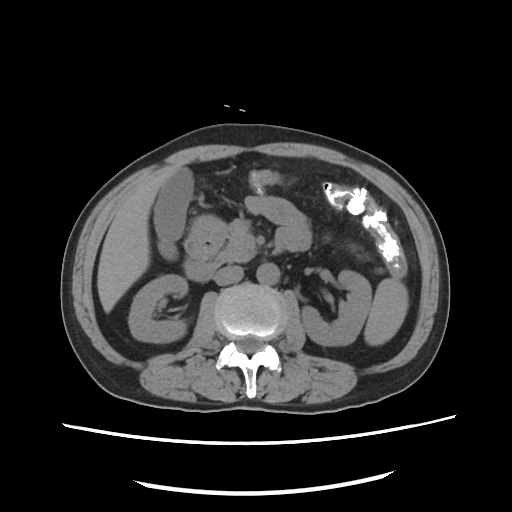 CT abdomen · axial plane, index 53 · 512x512 px · Aquilion ONE scanner · scan has 15 labeled organs (counted over the whole 3D scan, not this slice; an organ is boxed only where this slice passes through it)
<organs><organ name="spleen" x1="364" y1="278" x2="408" y2="345"/><organ name="right kidney" x1="128" y1="274" x2="187" y2="342"/><organ name="left kidney" x1="301" y1="270" x2="371" y2="345"/><organ name="gall bladder" x1="154" y1="167" x2="193" y2="259"/><organ name="liver" x1="97" y1="165" x2="179" y2="312"/><organ name="stomach" x1="186" y1="215" x2="226" y2="262"/><organ name="aorta" x1="256" y1="263" x2="279" y2="285"/><organ name="inferior vena cava" x1="214" y1="265" x2="243" y2="285"/><organ name="pancreas" x1="216" y1="219" x2="255" y2="263"/><organ name="duodenum" x1="184" y1="223" x2="224" y2="281"/></organs>